Abdominal CT; axial plane, index 59; soft-tissue window (W 400 / L 40); 512x512 px; scan has 15 labeled organs (that count is for the whole scan; organs this slice misses have no box)
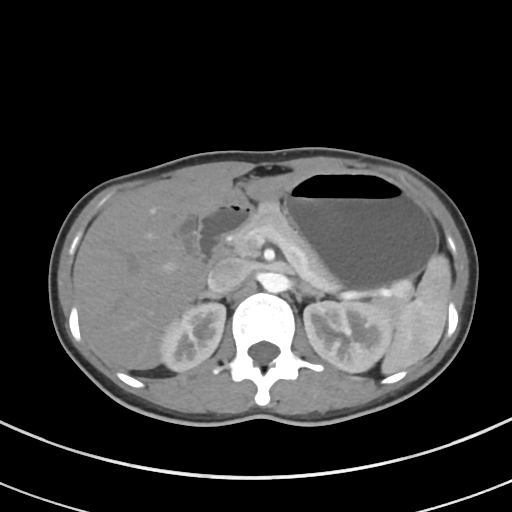

{"organs":{"spleen":[381,254,451,374],"left kidney":[303,301,393,372],"duodenum":[196,205,245,265],"right adrenal gland":[197,291,220,301],"gall bladder":[178,217,198,253],"stomach":[227,171,437,291],"inferior vena cava":[206,257,250,294],"liver":[73,172,304,369],"pancreas":[230,201,415,308],"right kidney":[160,303,225,371],"aorta":[260,272,287,293],"left adrenal gland":[303,286,322,298]}}